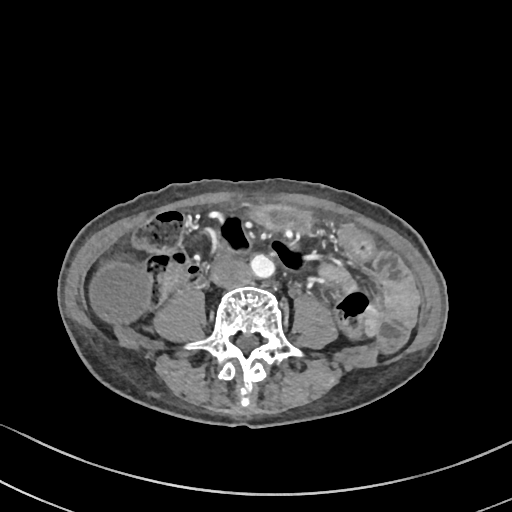 Computed tomography, abdomen. axial view. soft-tissue window (W 400 / L 40)
Bounding boxes as [x1, y1, x2, y2] in pixel coordinates.
Organ bounding boxes:
- aorta: [250, 254, 274, 277]
- stomach: [252, 206, 310, 230]
- inferior vena cava: [211, 259, 250, 288]
- gall bladder: [89, 262, 152, 325]